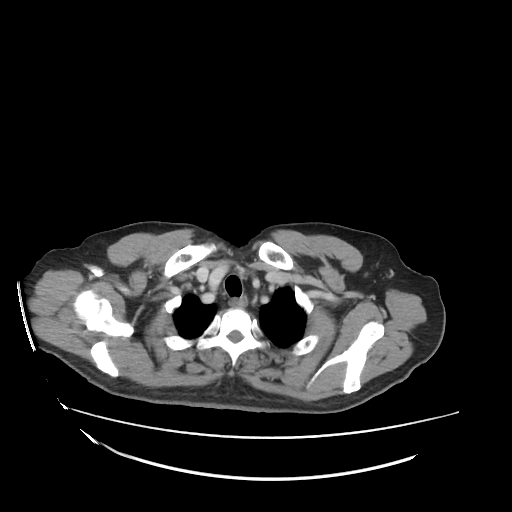
Abdominal CT reaching into the chest; this slice is in the chest; axial view; soft-tissue window, W/L 400/40
At this level of the chest this dataset labels only the esophagus and the aorta, and each is boxed only where it is labeled; the heart and lungs are never labeled.
<organs><organ name="esophagus" x1="232" y1="295" x2="248" y2="308"/></organs>